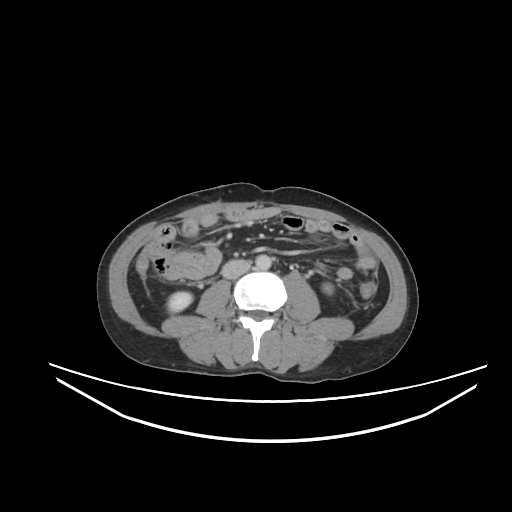

CT abdomen; axial view; soft-tissue window (W 400 / L 40); scan has 15 labeled organs (that count is for the whole scan; organs this slice misses have no box)
{"organs":{"right kidney":[167,292,192,312],"left kidney":[322,283,333,293],"aorta":[255,254,271,269],"inferior vena cava":[221,259,250,278]}}